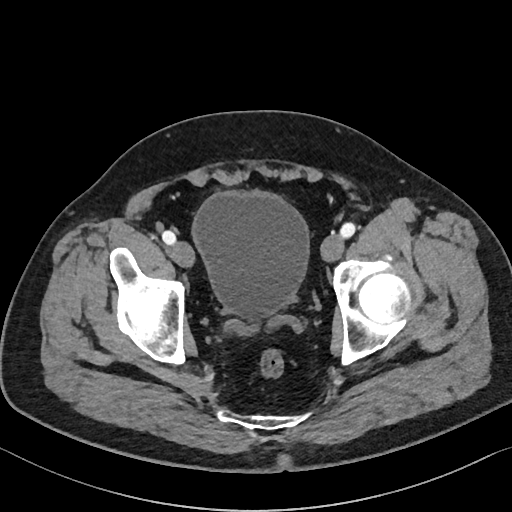 CT, abdomen/pelvis · axial view · soft-tissue window · 512x512 px
Boxes are (x1, y1, x2, y2) in pixels. 1 labeled organ on this slice — bladder at (193, 191, 308, 318).